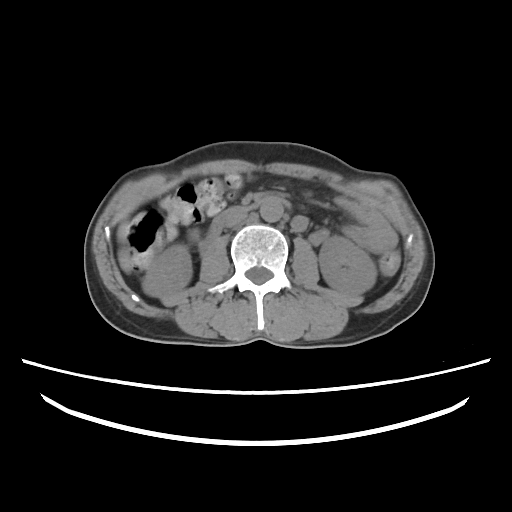

CT abdomen. Axial slice 59/90. 512x512 px. Aquilion ONE scanner
<organs><organ name="right kidney" x1="143" y1="247" x2="191" y2="295"/><organ name="left kidney" x1="320" y1="236" x2="374" y2="294"/><organ name="liver" x1="118" y1="224" x2="130" y2="271"/><organ name="aorta" x1="259" y1="199" x2="282" y2="222"/><organ name="inferior vena cava" x1="225" y1="211" x2="247" y2="226"/><organ name="duodenum" x1="199" y1="197" x2="291" y2="249"/></organs>